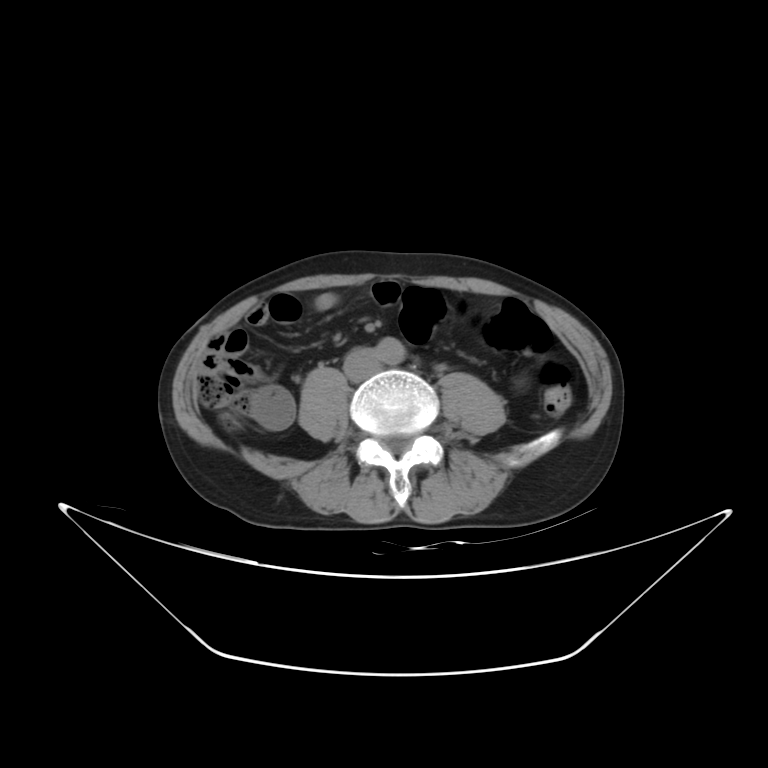
Computed tomography, abdomen. axial view. 52-year-old male patient
Boxes are (x1, y1, x2, y2) in pixels. Labeled organs on this slice: left kidney at (283, 557, 286, 557), aorta at (375, 337, 405, 364), inferior vena cava at (343, 348, 381, 381).